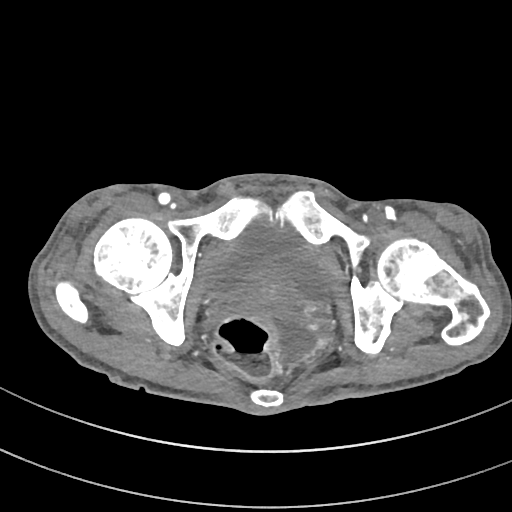

CT abdomen · axial view · W/L 400/40 HU
Coordinates as <box>x1,y1,x2,y2</box> in pixels.
bladder: <box>208,222,329,298</box>
prostate/uterus: <box>242,276,297,310</box>